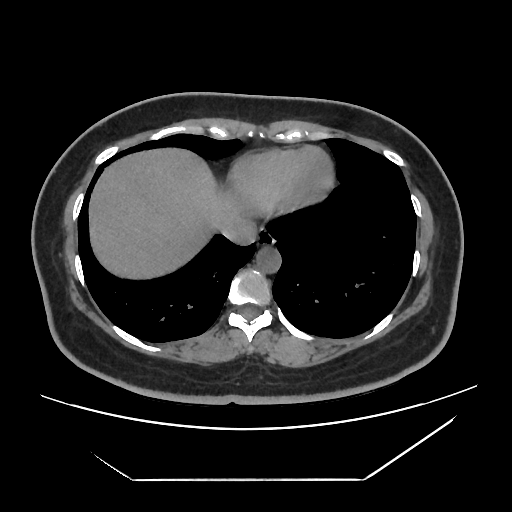

CT abdomen — axial plane, index 299 — soft-tissue window (W 400 / L 40) — 512x512 px — acquired on SOMATOM Force
Boxes: x1:y1:x2:y2 in pixels. Labeled organs on this slice: esophagus at 257:228:274:245, liver at 88:147:241:280, aorta at 256:245:280:272, inferior vena cava at 220:216:256:244.